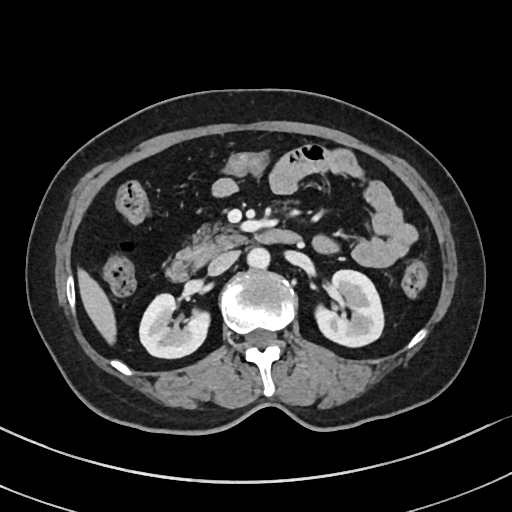

CT abdomen; axial view; abdomen soft-tissue window; 14 organs annotated in this scan (that count is for the whole scan; organs this slice misses have no box)
Boxes are (x1, y1, x2, y2) in pixels.
Organ bounding boxes:
- right kidney: (139, 293, 209, 358)
- left kidney: (315, 270, 383, 346)
- liver: (77, 268, 116, 344)
- aorta: (247, 247, 270, 268)
- inferior vena cava: (208, 251, 238, 275)
- pancreas: (177, 223, 245, 266)
- duodenum: (165, 229, 300, 281)